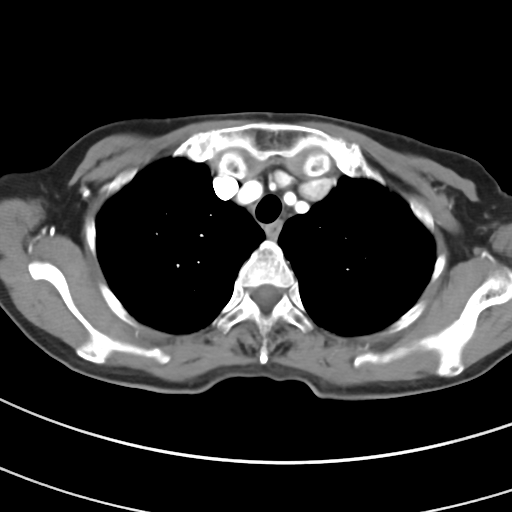

CT of the abdomen extending into the chest, slice through the chest; axial view; soft-tissue window; acquired on SOMATOM Force
On a slice this high in the chest, this dataset labels only the esophagus and the aorta, and each is boxed only where it is labeled; the heart, lungs and other chest structures are not labeled.
<organs><organ name="esophagus" x1="265" y1="221" x2="281" y2="236"/></organs>